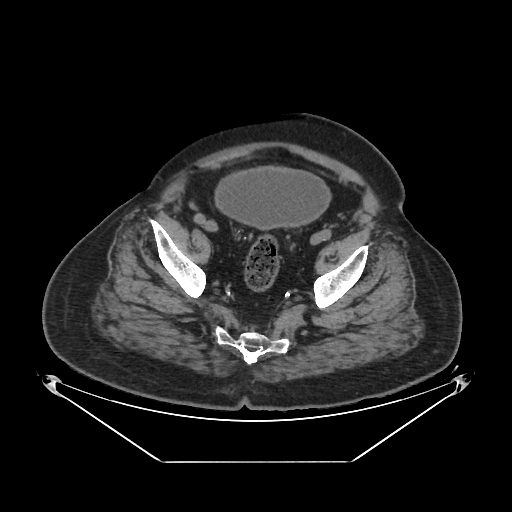
CT abdomen. Axial slice 74/353
Boxes: x1 y1 x2 y2 (pixel coords, space-separated).
Organ bounding boxes:
- bladder: 215 167 330 229